CT abdomen — axial view — soft-tissue window (W 400 / L 40) — 512x512 px
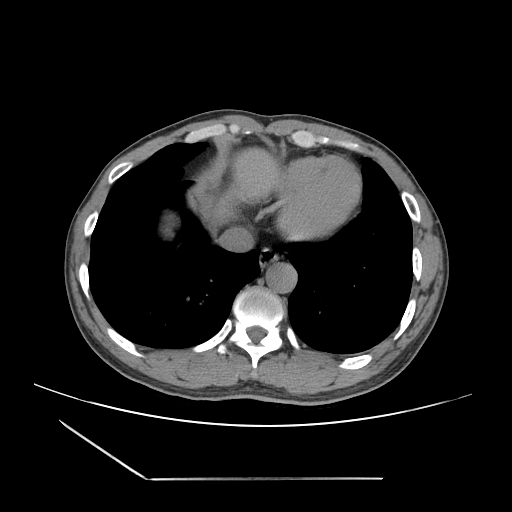 <organs><organ name="esophagus" x1="259" y1="246" x2="279" y2="266"/><organ name="liver" x1="188" y1="147" x2="286" y2="222"/><organ name="aorta" x1="265" y1="262" x2="296" y2="293"/><organ name="inferior vena cava" x1="216" y1="227" x2="253" y2="251"/></organs>